Abdominal CT; axial plane, index 11; W/L 400/40 HU; 512x512 px; 57-year-old female patient
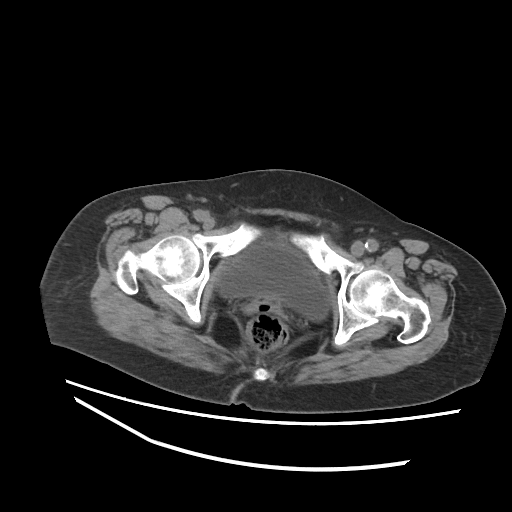

Bounding boxes in pixels, one row per box: x1, y1 is the top-left corner and x2, y2 the bottom-right.
| organ | x1 | y1 | x2 | y2 |
|---|---|---|---|---|
| bladder | 219 | 241 | 328 | 320 |